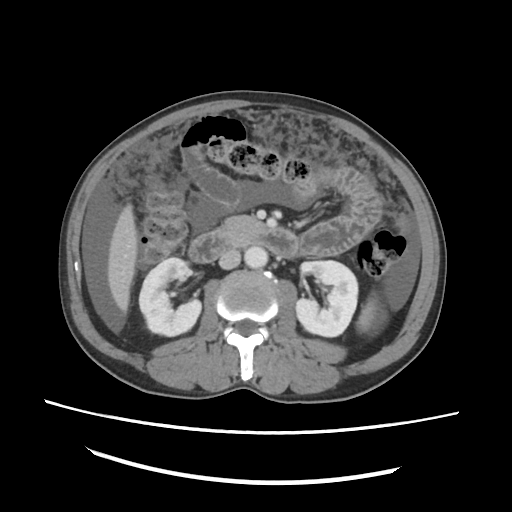 CT, abdomen/pelvis; axial view
Boxes: x1:y1:x2:y2 in pixels.
right kidney: 139:257:201:336
aorta: 244:246:267:268
inferior vena cava: 219:249:240:269
left kidney: 296:260:358:336
pancreas: 218:215:262:238
liver: 107:204:137:312
spleen: 357:300:375:331
duodenum: 188:227:298:262